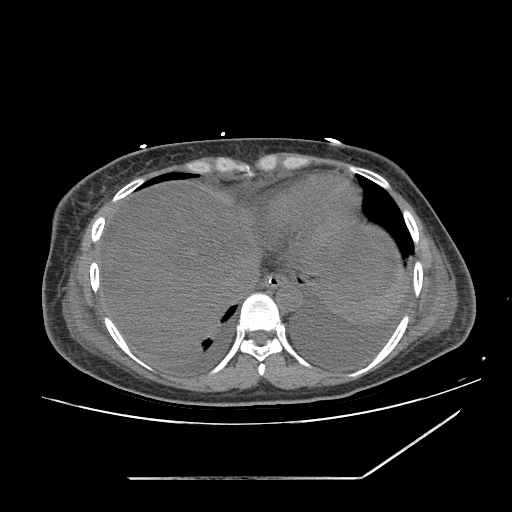
Computed tomography, abdomen · axial view · W/L 400/40 HU · 512x512 px · SOMATOM Force scanner · scan has 15 labeled organs (a whole-scan count: organs this slice does not pass through have no box)
<organs><organ name="inferior vena cava" x1="226" y1="263" x2="259" y2="297"/><organ name="stomach" x1="278" y1="283" x2="292" y2="310"/><organ name="aorta" x1="276" y1="283" x2="301" y2="309"/><organ name="liver" x1="104" y1="188" x2="389" y2="352"/><organ name="esophagus" x1="262" y1="273" x2="296" y2="288"/></organs>